Abdominal CT; axial view; 512x512 px; scan has 15 labeled organs (counted over the whole 3D scan, not this slice; an organ is boxed only where this slice passes through it)
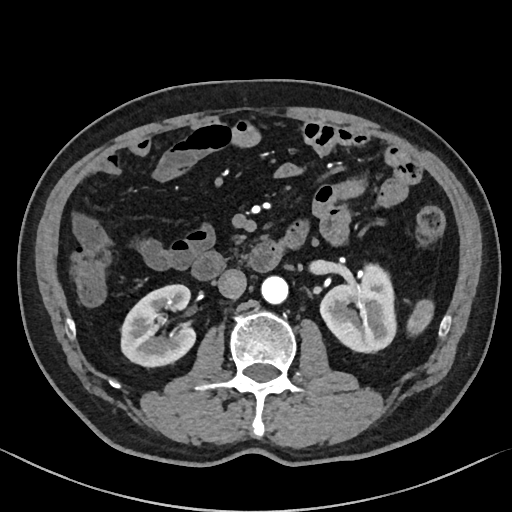 {"organs":{"spleen":[406,299,434,335],"right kidney":[121,284,195,366],"left kidney":[320,264,396,352],"aorta":[261,276,288,303],"inferior vena cava":[217,269,246,298],"pancreas":[232,235,245,251],"duodenum":[191,227,304,279]}}